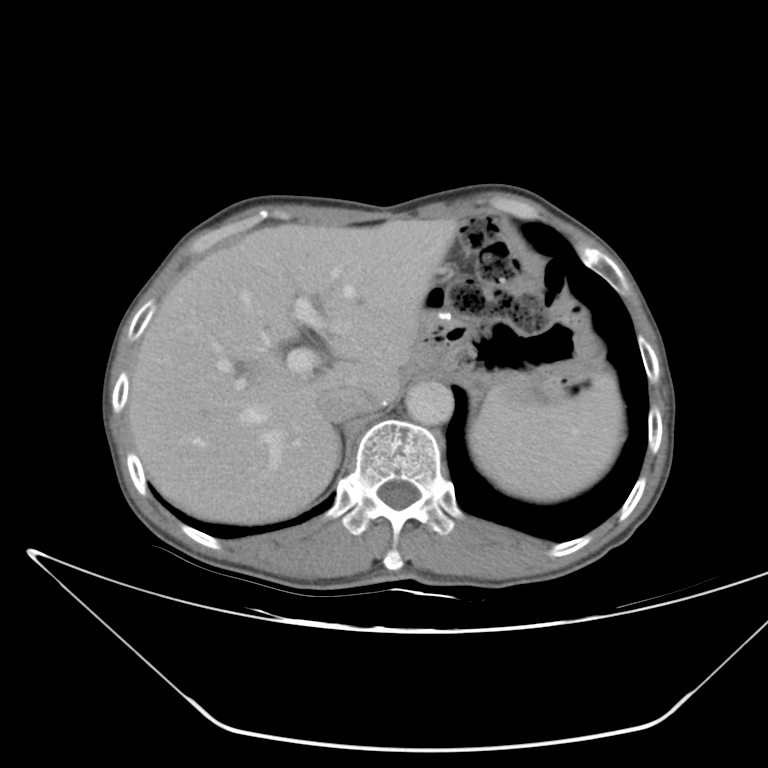
CT abdomen. Axial slice 48/104. W/L 400/40 HU. 768x768 px. acquired on Brilliance16
<organs><organ name="aorta" x1="407" y1="382" x2="453" y2="425"/><organ name="spleen" x1="472" y1="376" x2="621" y2="499"/><organ name="right adrenal gland" x1="336" y1="432" x2="341" y2="440"/><organ name="stomach" x1="411" y1="309" x2="607" y2="398"/><organ name="liver" x1="126" y1="214" x2="463" y2="523"/><organ name="inferior vena cava" x1="315" y1="388" x2="378" y2="422"/></organs>